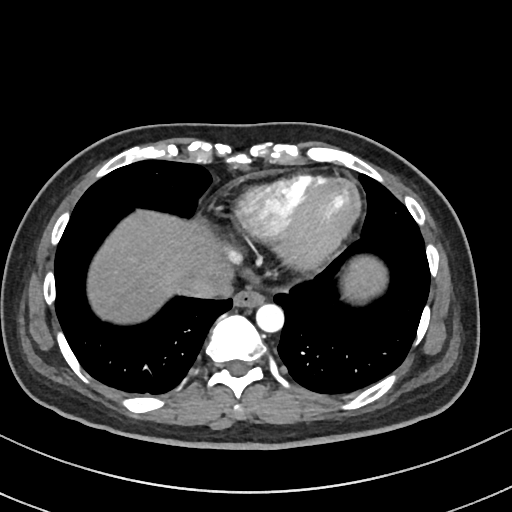 CT abdomen — axial view — soft-tissue window — 512x512 px
Boxes: x1:y1:x2:y2 in pixels.
esophagus: 233:289:264:307
liver: 87:211:387:320
aorta: 255:304:284:333
inferior vena cava: 182:263:233:298